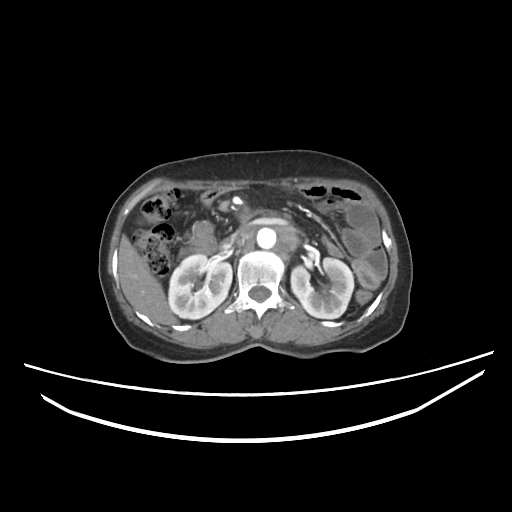
CT, abdomen/pelvis; axial plane, index 66
<organs><organ name="left kidney" x1="291" y1="258" x2="353" y2="318"/><organ name="aorta" x1="256" y1="228" x2="276" y2="248"/><organ name="right kidney" x1="168" y1="254" x2="233" y2="318"/><organ name="duodenum" x1="181" y1="224" x2="217" y2="256"/><organ name="inferior vena cava" x1="218" y1="223" x2="251" y2="249"/><organ name="liver" x1="119" y1="235" x2="178" y2="325"/></organs>